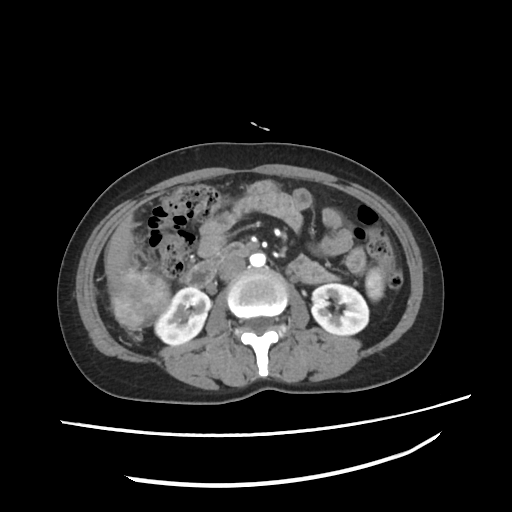
CT abdomen · axial view · Aquilion ONE scanner
Boxes: x1:y1:x2:y2 in pixels. Labeled organs on this slice: spleen at 366:267:384:300, right kidney at 155:287:210:345, left kidney at 312:284:369:335, liver at 105:213:135:283, aorta at 249:253:265:266, inferior vena cava at 218:257:246:279, duodenum at 183:243:250:288.